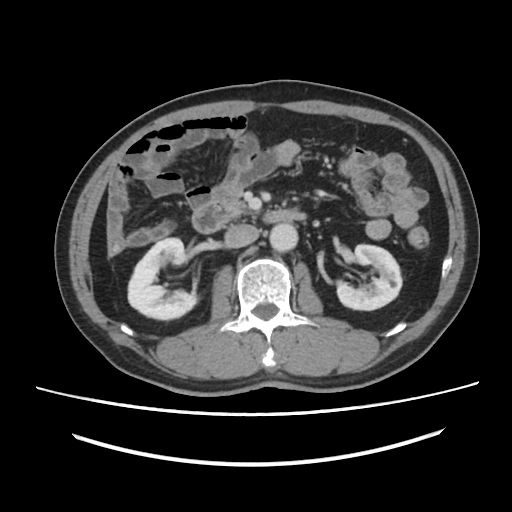

Abdominal CT · axial view · abdomen soft-tissue window · 58-year-old male patient
Bounding boxes in pixels, one row per box: x1, y1 is the top-left corner and x2, y2 the bottom-right.
| organ | x1 | y1 | x2 | y2 |
|---|---|---|---|---|
| inferior vena cava | 224 | 224 | 258 | 247 |
| duodenum | 192 | 201 | 306 | 233 |
| right kidney | 128 | 238 | 197 | 319 |
| pancreas | 224 | 200 | 247 | 215 |
| left kidney | 337 | 244 | 401 | 310 |
| aorta | 269 | 223 | 297 | 251 |